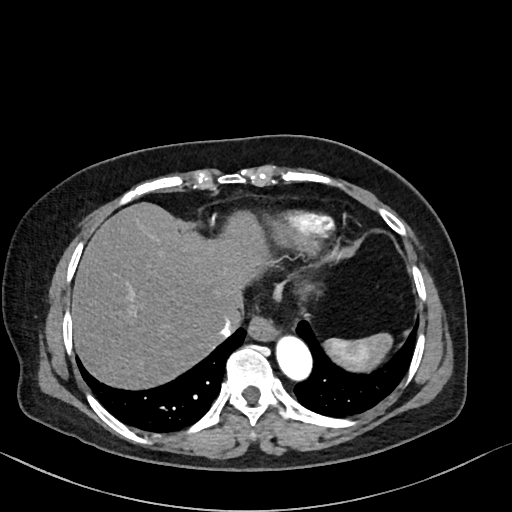

CT abdomen. axial view. soft-tissue window. 512x512 px. 15 organs annotated in this scan (a whole-scan count: organs this slice does not pass through have no box)
Boxes: x1:y1:x2:y2 in pixels.
spleen: 325:334:390:370
esophagus: 248:317:281:342
liver: 72:203:265:388
aorta: 276:335:313:382
inferior vena cava: 208:307:242:341